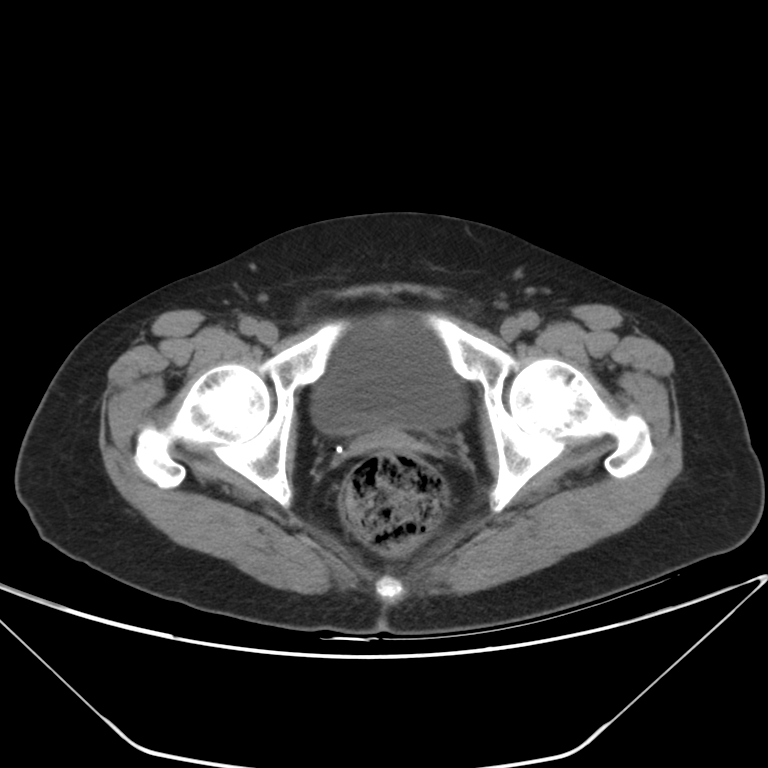
Abdominal CT · axial view · 768x768 px · Brilliance16 scanner
Coordinates as <box>x1,y1,x2,y2</box> in pixels.
Organ bounding boxes:
- bladder: <box>311,315,466,434</box>